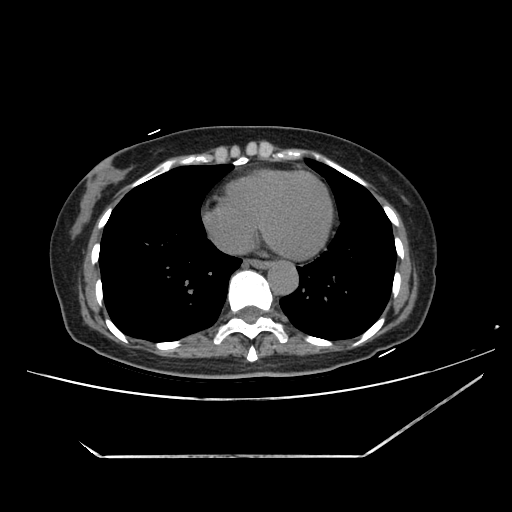
Abdominal CT; this slice is in the lower chest, just above the liver — axial view — 512x512 px
The heart and lungs are never labeled in this dataset, so they have no box on this slice. Boxes are (x1, y1, x2, y2) in pixels. Labeled organs on this slice: esophagus at (247, 259, 270, 267), aorta at (267, 260, 298, 294), inferior vena cava at (213, 231, 252, 254).